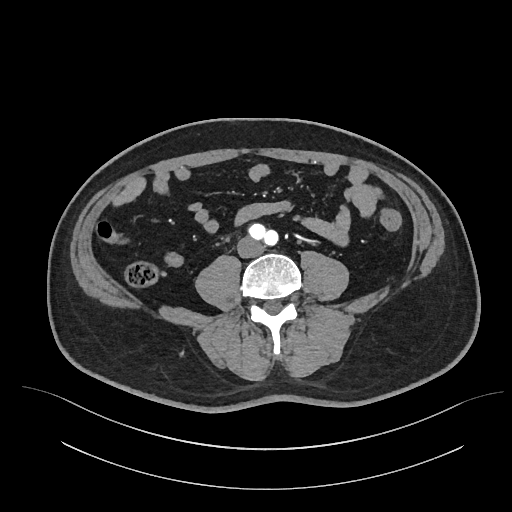

CT abdomen · axial plane, index 112 · W/L 400/40 HU · 512x512 px
Box edges are left/top/right/bottom in pixels. Labeled organs on this slice: inferior vena cava at left=237, top=237, right=264, bottom=258.